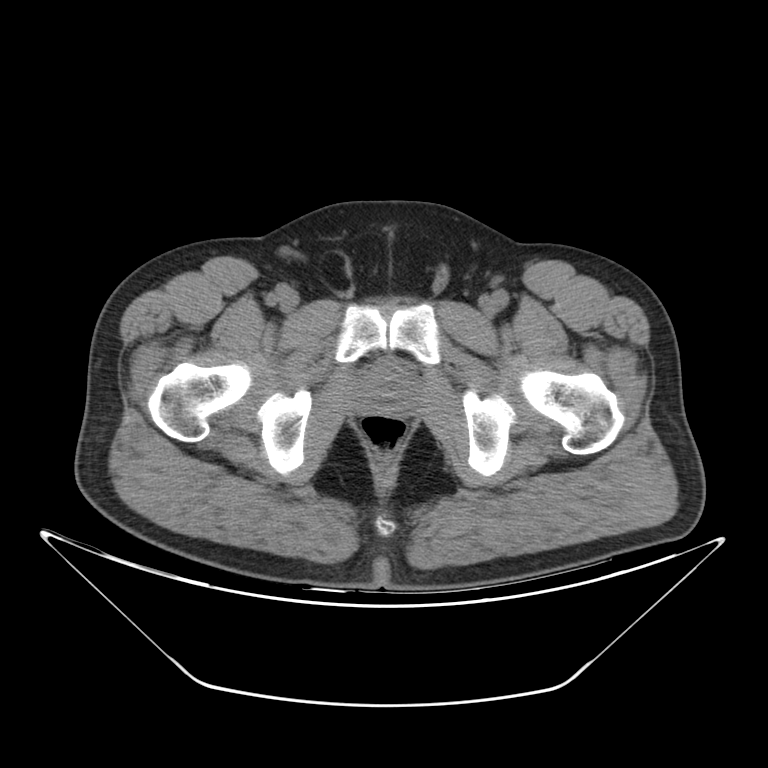 Computed tomography, abdomen. axial view. W/L 400/40 HU. Brilliance16 scanner
{"organs":{"prostate/uterus":[358,363,417,415]}}